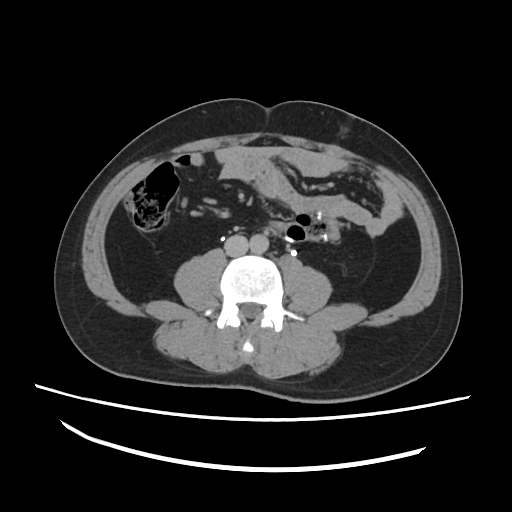

CT, abdomen/pelvis · axial view · 44-year-old male patient · scan has 15 labeled organs (that count is for the whole scan; organs this slice misses have no box)
One row per box, in pixels: columns x1 and y1 give the top-left corner, x2 and y2 the bottom-right.
| organ | x1 | y1 | x2 | y2 |
|---|---|---|---|---|
| aorta | 248 | 235 | 267 | 253 |
| inferior vena cava | 224 | 234 | 248 | 256 |